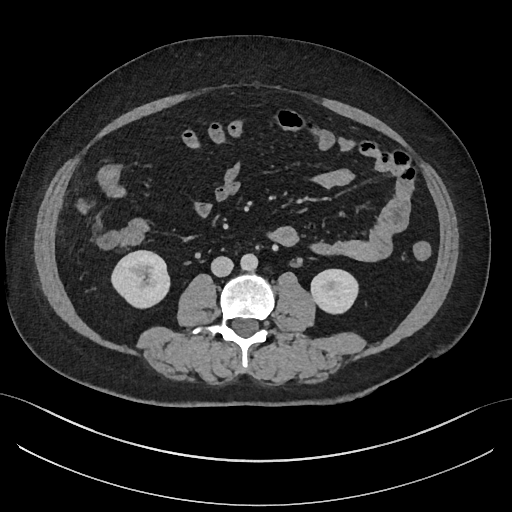

CT, abdomen/pelvis — axial plane, index 119 — scan has 15 labeled organs (counted over the whole 3D scan, not this slice; an organ is boxed only where this slice passes through it)
Coordinates as <box>x1,y1,x2,y2</box> in pixels.
Organ bounding boxes:
- left kidney: <box>311,270,356,311</box>
- inferior vena cava: <box>211,256,233,276</box>
- aorta: <box>240,253,258,270</box>
- right kidney: <box>113,250,168,307</box>